CT, abdomen/pelvis · axial plane, index 49 · acquired on Aquilion ONE
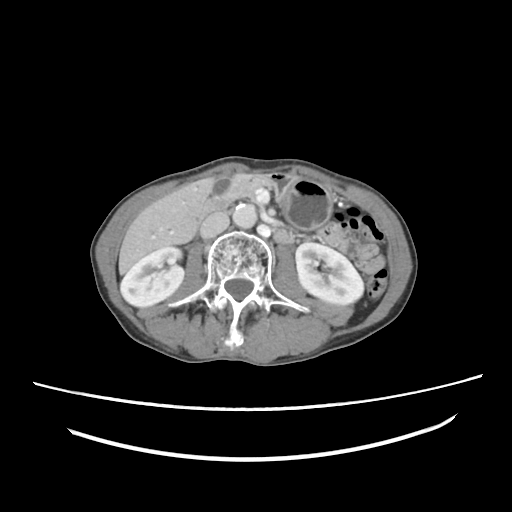 Organ boxes in pixel coordinates; each row gives the top-left (x1, y1) and bottom-right (x2, y2) corners.
| organ | x1 | y1 | x2 | y2 |
|---|---|---|---|---|
| duodenum | 198 | 197 | 292 | 242 |
| stomach | 260 | 175 | 333 | 229 |
| inferior vena cava | 200 | 212 | 229 | 238 |
| pancreas | 224 | 174 | 262 | 200 |
| left kidney | 295 | 242 | 363 | 304 |
| aorta | 232 | 203 | 256 | 228 |
| gall bladder | 211 | 177 | 231 | 197 |
| liver | 118 | 178 | 214 | 273 |
| right kidney | 120 | 246 | 184 | 307 |